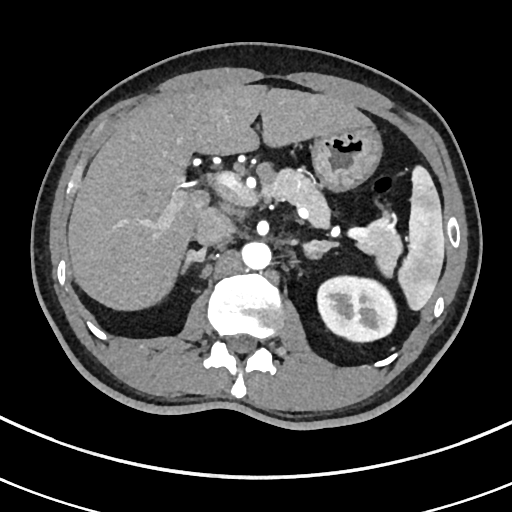

CT abdomen. axial view. SOMATOM Force scanner
Box edges are left/top/right/bottom in pixels. The annotated organs in this slice are: spleen at left=399, top=168, right=444, bottom=309, left kidney at left=316, top=274, right=398, bottom=343, liver at left=68, top=84, right=369, bottom=309, stomach at left=311, top=126, right=381, bottom=189, aorta at left=240, top=241, right=272, bottom=269, inferior vena cava at left=193, top=208, right=234, bottom=245, pancreas at left=264, top=166, right=402, bottom=275, right adrenal gland at left=181, top=248, right=205, bottom=275, left adrenal gland at left=303, top=241, right=334, bottom=256.